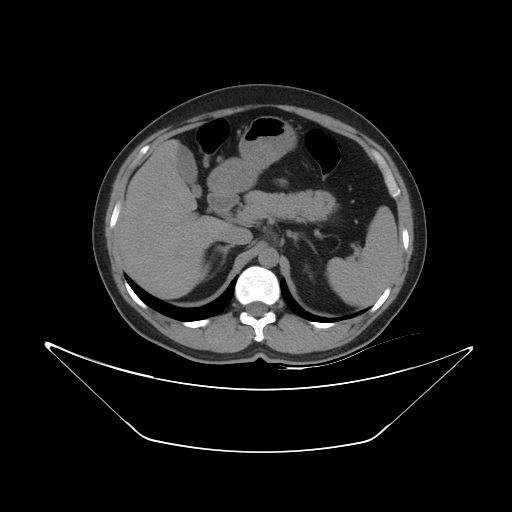 Abdominal CT. axial view. Brilliance16 scanner
Coordinates as <box>x1,y1,x2,y2</box> in pixels.
spleen: <box>326,206,398,306</box>
gall bladder: <box>177,145,201,197</box>
liver: <box>116,139,231,299</box>
stomach: <box>207,116,296,193</box>
aorta: <box>258,247,278,267</box>
inferior vena cava: <box>222,226,252,244</box>
pancreas: <box>242,190,335,221</box>
right adrenal gland: <box>200,245,233,276</box>
left adrenal gland: <box>286,231,300,244</box>
duodenum: <box>207,193,238,214</box>